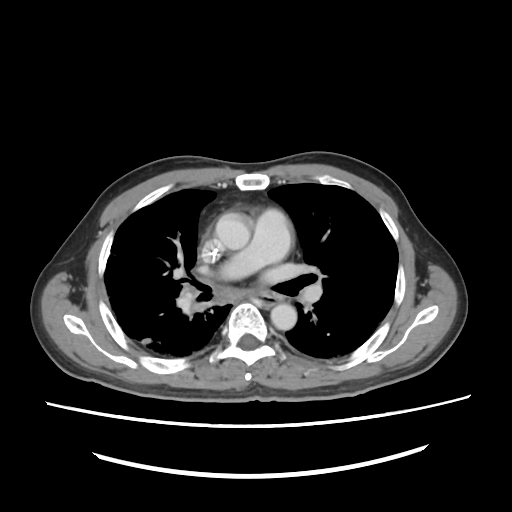
Lower-chest slice from an abdominal CT, just above the liver and spleen · axial view · soft-tissue window (W 400 / L 40) · 512x512 px · 45-year-old male patient
Of the structures in the chest, this dataset labels only the esophagus, the aorta and the inferior vena cava; the heart and lungs have no label.
Organ boxes in pixel coordinates; each row gives the top-left (x1, y1) and bottom-right (x2, y2) corners.
| organ | x1 | y1 | x2 | y2 |
|---|---|---|---|---|
| aorta | 214 | 212 | 252 | 249 |
| aorta | 270 | 300 | 296 | 331 |